CT abdomen. axial plane, index 144. W/L 400/40 HU. 512x512 px
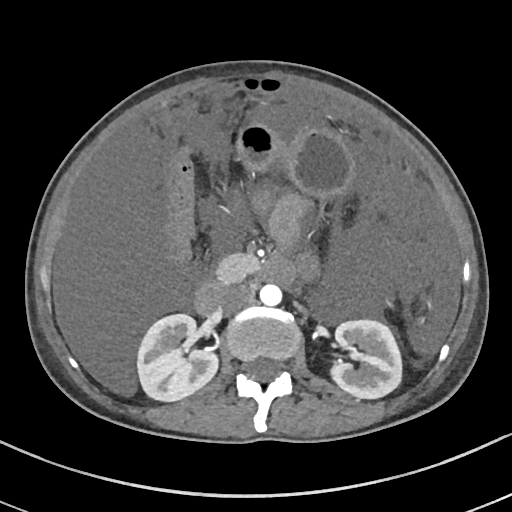
<organs><organ name="right kidney" x1="137" y1="314" x2="217" y2="401"/><organ name="left kidney" x1="332" y1="321" x2="402" y2="398"/><organ name="stomach" x1="238" y1="124" x2="355" y2="200"/><organ name="aorta" x1="259" y1="283" x2="281" y2="305"/><organ name="inferior vena cava" x1="219" y1="284" x2="253" y2="312"/><organ name="pancreas" x1="219" y1="255" x2="257" y2="281"/><organ name="duodenum" x1="196" y1="258" x2="293" y2="316"/></organs>